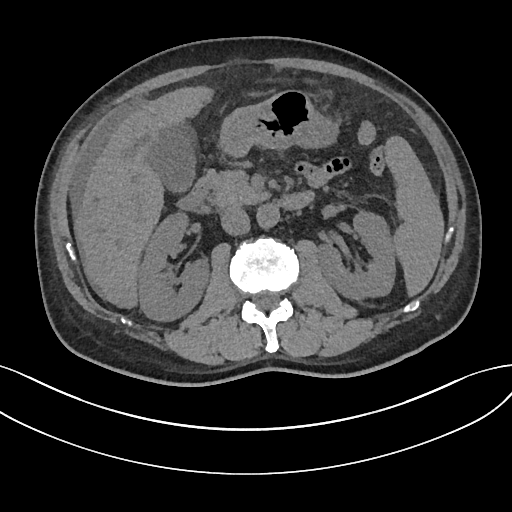
Abdominal CT. axial view
Box edges are left/top/right/bottom in pixels.
Organ bounding boxes:
- left kidney: left=317, top=212, right=394, bottom=300
- right kidney: left=138, top=213, right=210, bottom=322
- liver: left=74, top=87, right=214, bottom=309
- inferior vena cava: left=219, top=206, right=249, bottom=236
- pancreas: left=207, top=167, right=267, bottom=206
- stomach: left=219, top=90, right=338, bottom=157
- duodenum: left=179, top=172, right=315, bottom=212
- spleen: left=385, top=136, right=444, bottom=296
- gall bladder: left=151, top=128, right=195, bottom=193
- aorta: left=256, top=205, right=279, bottom=230